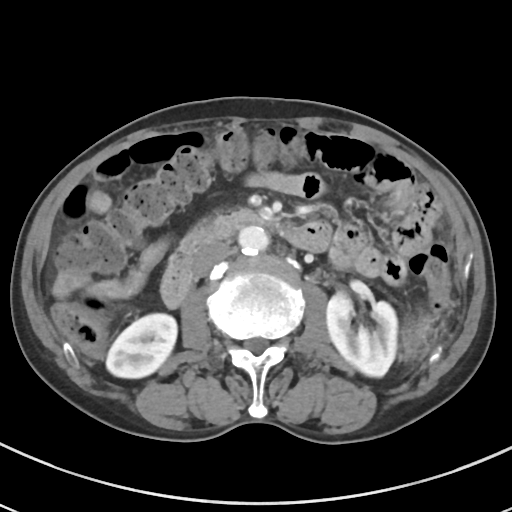

CT, abdomen/pelvis; Axial slice 52/122; 15 organs annotated in this scan (that count is for the whole scan; organs this slice misses have no box)
Organ boxes in pixel coordinates; each row gives the top-left (x1, y1) and bottom-right (x2, y2) corners.
| organ | x1 | y1 | x2 | y2 |
|---|---|---|---|---|
| spleen | 403 | 316 | 433 | 352 |
| right kidney | 106 | 313 | 177 | 378 |
| left kidney | 326 | 292 | 397 | 376 |
| aorta | 238 | 226 | 269 | 253 |
| inferior vena cava | 193 | 241 | 230 | 277 |
| duodenum | 160 | 206 | 331 | 308 |